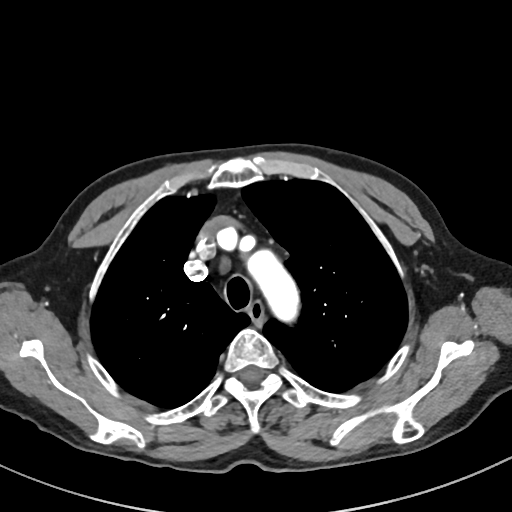 Chest-level CT slice, above the liver and spleen · axial view · W/L 400/40 HU · 512x512 px · acquired on SOMATOM Force
At this level of the chest no structure but the esophagus and the aorta has a label in this dataset, and those two are boxed only where they are labeled.
<organs><organ name="esophagus" x1="248" y1="302" x2="264" y2="323"/><organ name="aorta" x1="247" y1="250" x2="299" y2="321"/></organs>